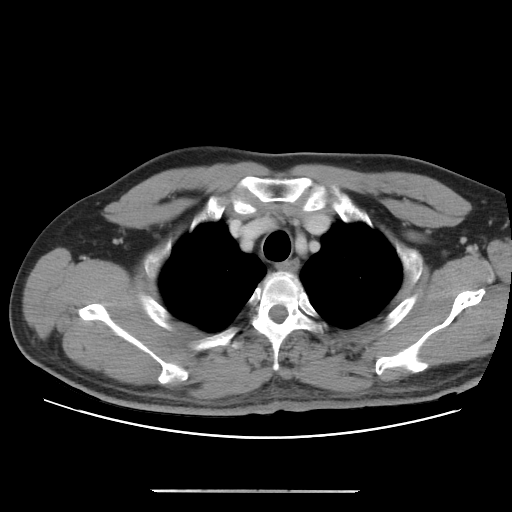 Chest-level CT slice, above the liver and spleen. Axial slice 124/131. 512x512 px
At this level of the chest this dataset labels only the esophagus and the aorta, and each is boxed only where it is labeled; the heart and lungs are never labeled.
Bounding boxes as [x1, y1, x2, y2] in pixel coordinates.
esophagus: [276, 258, 299, 270]